CT abdomen. axial view. soft-tissue window (W 400 / L 40)
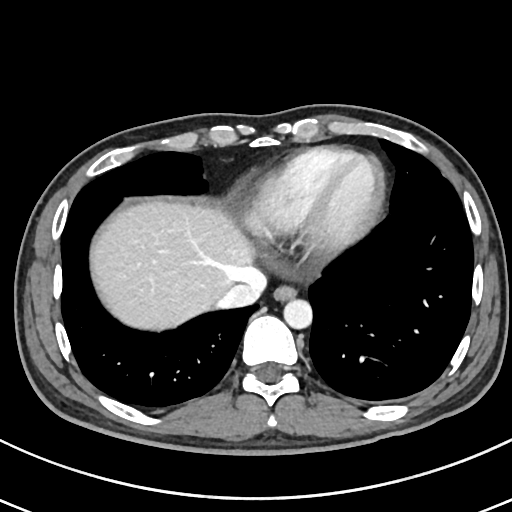

Bounding boxes in pixels, one row per box: x1, y1 is the top-left corner and x2, y2 the bottom-right.
| organ | x1 | y1 | x2 | y2 |
|---|---|---|---|---|
| esophagus | 272 | 286 | 296 | 301 |
| liver | 92 | 201 | 254 | 332 |
| aorta | 283 | 299 | 312 | 329 |
| inferior vena cava | 220 | 268 | 267 | 306 |